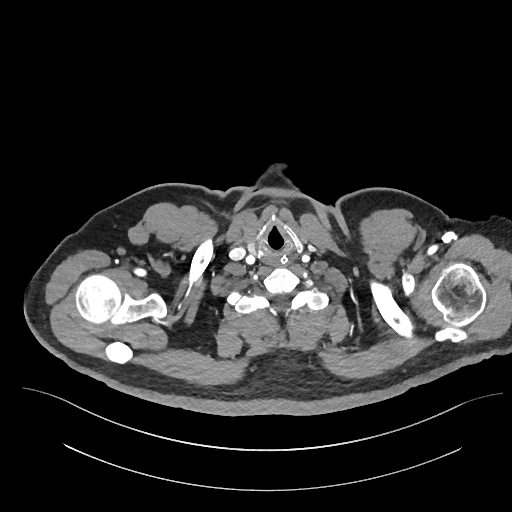

CT of the abdomen extending into the chest, slice through the chest · axial view · 512x512 px · acquired on SOMATOM Force · 15 organs annotated in this scan (that count is for the whole scan; organs this slice misses have no box)
At this level of the chest no structure but the esophagus and the aorta has a label in this dataset, and those two are boxed only where they are labeled.
<organs><organ name="esophagus" x1="267" y1="254" x2="289" y2="265"/></organs>